CT of the abdomen reaching into the lower chest, slice just above the liver and spleen — axial view — 73-year-old female patient — acquired on Aquilion ONE
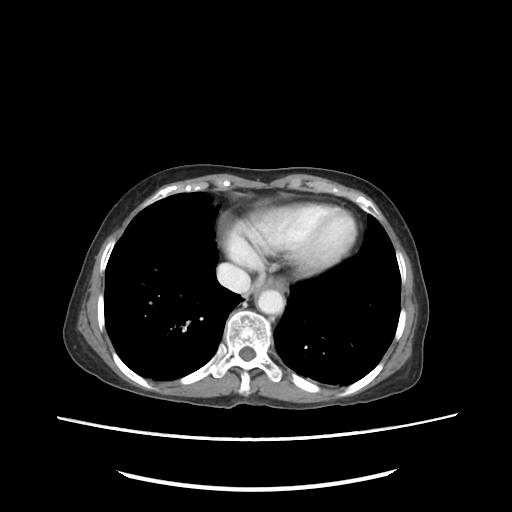
No part of the heart or lungs is labeled in this dataset, so neither has a box here.
Box edges are left/top/right/bottom in pixels.
Organ bounding boxes:
- esophagus: left=255, top=277, right=286, bottom=295
- inferior vena cava: left=216, top=263, right=252, bottom=295
- aorta: left=257, top=290, right=284, bottom=314